CT abdomen · Axial slice 151/237 · W/L 400/40 HU · 512x512 px
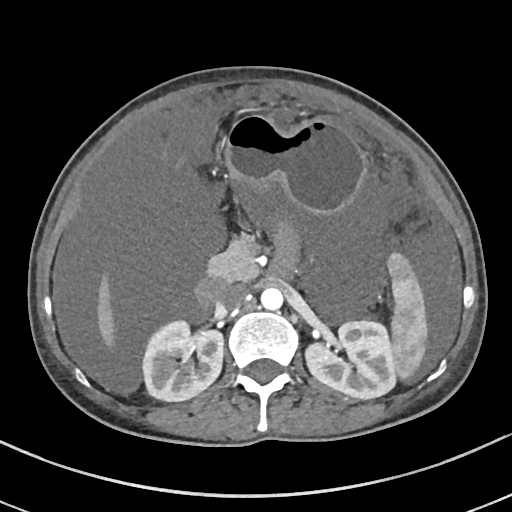 Boxes are (x1, y1, x2, y2) in pixels.
spleen: (387, 253, 428, 380)
right kidney: (142, 321, 223, 401)
left kidney: (305, 321, 395, 399)
liver: (97, 276, 115, 347)
stomach: (224, 114, 365, 214)
aorta: (260, 287, 283, 310)
inferior vena cava: (217, 284, 247, 311)
pancreas: (208, 235, 259, 282)
duodenum: (195, 276, 226, 307)